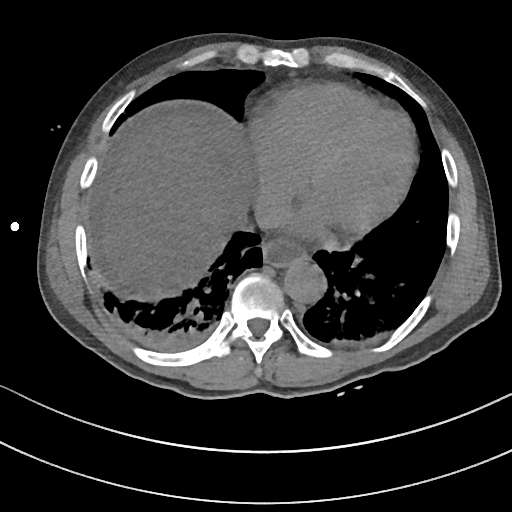 CT abdomen · Axial slice 229/252 · acquired on SOMATOM Force · scan has 15 labeled organs (counted over the whole 3D scan, not this slice; an organ is boxed only where this slice passes through it)
Box edges are left/top/right/bottom in pixels.
Organ bounding boxes:
- esophagus: left=261, top=238, right=307, bottom=268
- liver: left=102, top=120, right=240, bottom=299
- aorta: left=283, top=261, right=326, bottom=302
- inferior vena cava: left=254, top=195, right=289, bottom=229